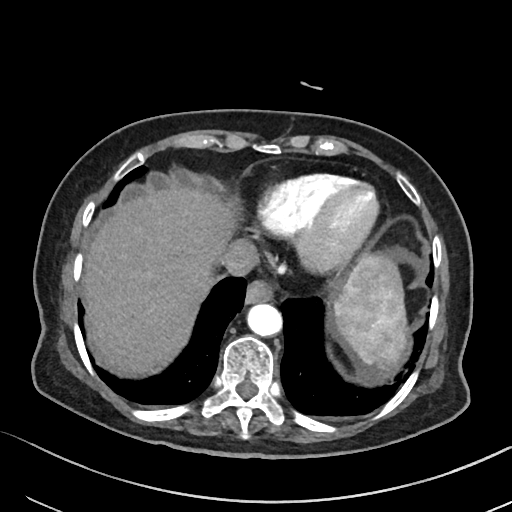
Computed tomography, abdomen. axial view. soft-tissue window (W 400 / L 40). acquired on SOMATOM Force. scan has 15 labeled organs (a whole-scan count: organs this slice does not pass through have no box)
Bounding boxes as [x1, y1, x2, y2] in pixel coordinates.
Organ bounding boxes:
- spleen: [333, 254, 408, 372]
- esophagus: [246, 279, 273, 303]
- liver: [83, 188, 395, 375]
- aorta: [247, 303, 281, 336]
- inferior vena cava: [220, 239, 258, 276]